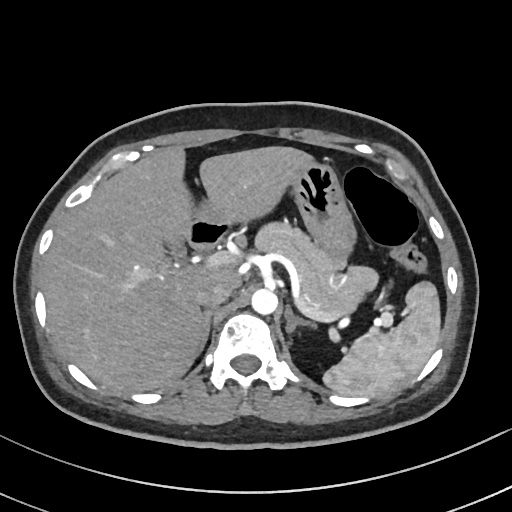
Computed tomography, abdomen — Axial slice 153/191
<organs><organ name="duodenum" x1="186" y1="218" x2="233" y2="250"/><organ name="left adrenal gland" x1="285" y1="305" x2="316" y2="334"/><organ name="right adrenal gland" x1="199" y1="309" x2="213" y2="352"/><organ name="aorta" x1="251" y1="288" x2="277" y2="315"/><organ name="pancreas" x1="255" y1="221" x2="376" y2="315"/><organ name="spleen" x1="323" y1="281" x2="440" y2="396"/><organ name="stomach" x1="195" y1="161" x2="356" y2="271"/><organ name="liver" x1="43" y1="146" x2="313" y2="393"/><organ name="inferior vena cava" x1="196" y1="281" x2="231" y2="307"/></organs>